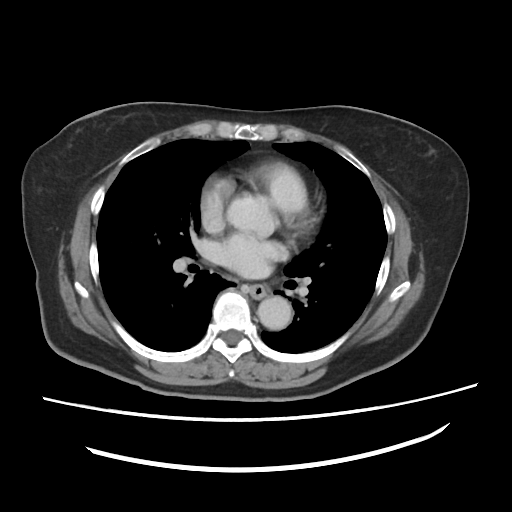

Lower-chest slice from an abdominal CT, just above the liver and spleen · axial view · soft-tissue window, W/L 400/40 · 61-year-old female patient
The heart and lungs are never labeled in this dataset, so they have no box on this slice.
Organ boxes in pixel coordinates; each row gives the top-left (x1, y1) and bottom-right (x2, y2) corners.
| organ | x1 | y1 | x2 | y2 |
|---|---|---|---|---|
| aorta | 226 | 194 | 268 | 231 |
| aorta | 258 | 295 | 293 | 330 |
| esophagus | 247 | 284 | 265 | 299 |